Abdominal CT. Axial slice 52/87. soft-tissue window (W 400 / L 40). 512x512 px
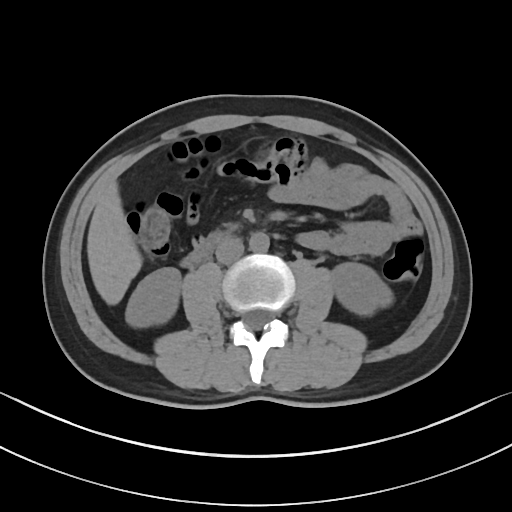

Each box given as x1,y1,x2,y2.
Organ bounding boxes:
- right kidney: x1=125, y1=267, x2=180, y2=327
- left kidney: x1=331, y1=262, x2=393, y2=315
- liver: x1=87, y1=180, x2=142, y2=305
- aorta: x1=249, y1=232, x2=269, y2=252
- inferior vena cava: x1=215, y1=237, x2=244, y2=263
- duodenum: x1=181, y1=231, x2=228, y2=267